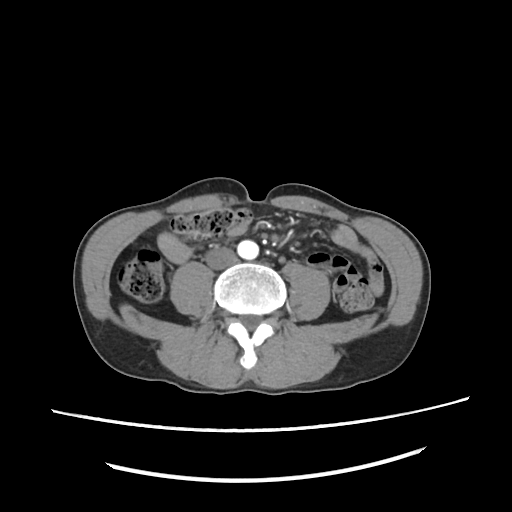
CT abdomen — axial view — abdomen soft-tissue window
Coordinates as <box>x1,y1,x2,y2</box> in pixels.
Organ bounding boxes:
- aorta: <box>237,240,259,260</box>
- inferior vena cava: <box>207,246,236,270</box>